CT, abdomen/pelvis; axial view; soft-tissue window; 768x768 px; 50-year-old male patient; 14 organs annotated in this scan (counted over the whole 3D scan, not this slice; an organ is boxed only where this slice passes through it)
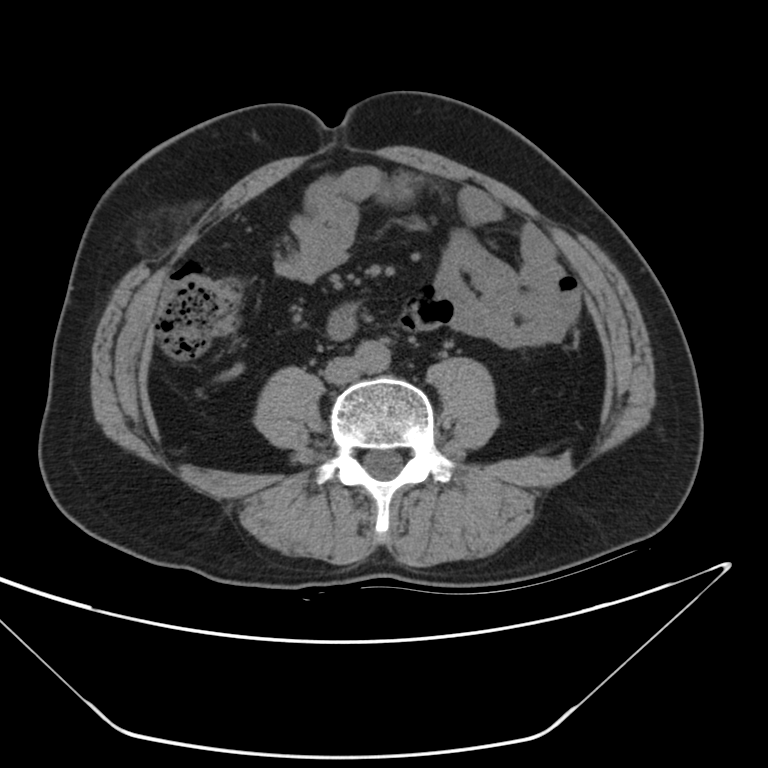

Bounding boxes as [x1, y1, x2, y2] in pixel coordinates. The annotated organs in this slice are: aorta at [357, 342, 388, 374], duodenum at [328, 308, 353, 340], inferior vena cava at [325, 356, 359, 381].